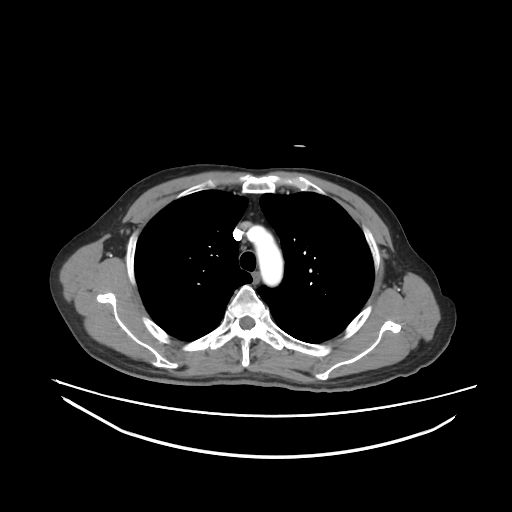
Chest-level CT slice, above the liver and spleen. axial view. 512x512 px. Aquilion ONE scanner. scan has 15 labeled organs (that count is for the whole scan; organs this slice misses have no box)
On a slice this high in the chest, this dataset labels only the esophagus and the aorta, and each is boxed only where it is labeled; the heart, lungs and other chest structures are not labeled. Bounding boxes as [x1, y1, x2, y2] in pixel coordinates. The annotated organs in this slice are: esophagus at [251, 272, 260, 283], aorta at [247, 226, 283, 286].